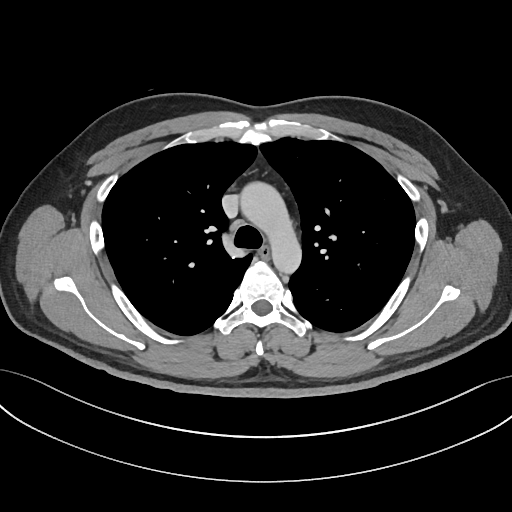
Chest-level CT slice, above the liver and spleen · Axial slice 299/345 · scan has 15 labeled organs (counted over the whole 3D scan, not this slice; an organ is boxed only where this slice passes through it)
At this level of the chest this dataset labels only the esophagus and the aorta, and each is boxed only where it is labeled; the heart and lungs are never labeled.
{"organs":{"esophagus":[258,246,270,258],"aorta":[240,181,301,273]}}